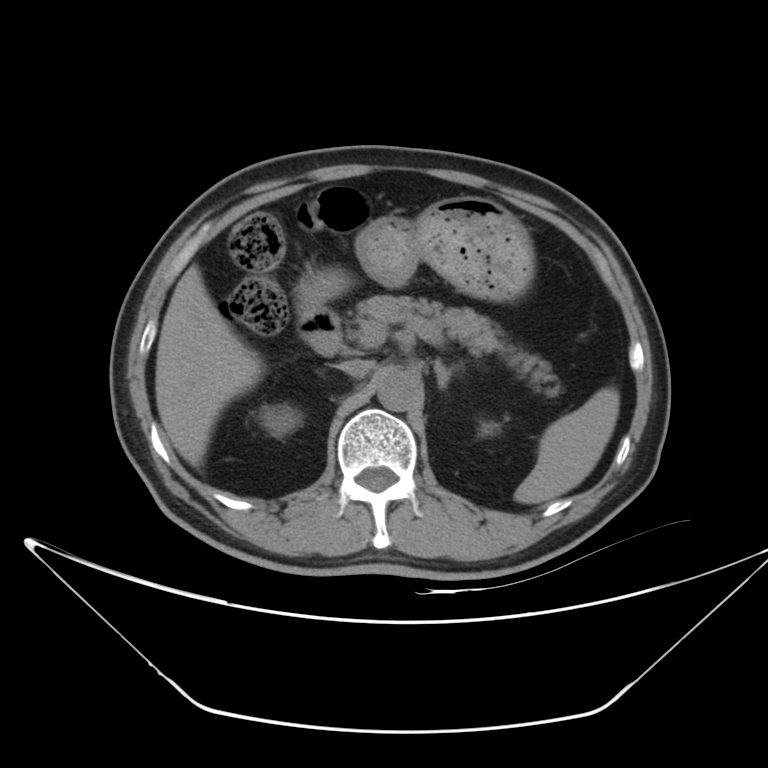 Computed tomography, abdomen · axial plane, index 67 · abdomen soft-tissue window
{"organs":{"duodenum":[296,306,342,356],"spleen":[514,387,620,503],"aorta":[377,368,420,411],"liver":[154,265,261,467],"left adrenal gland":[434,358,458,389],"right kidney":[262,409,296,434],"pancreas":[354,295,560,396],"left kidney":[480,422,498,434],"inferior vena cava":[339,358,372,377],"stomach":[296,197,533,308]}}